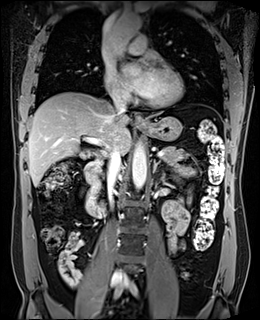

Abdominal MR. Coronal slice 73/144. 1st–99th percentile window
Boxes: x1 y1 x2 y2 (pixel coords, space-separated).
left adrenal gland: 153 159 166 181
duodenum: 84 159 105 218
aorta: 108 14 142 61
aorta: 132 143 146 189
inferior vena cava: 107 143 121 205
inferior vena cava: 114 97 126 115
stomach: 138 116 182 141
liver: 28 92 160 186
esophagus: 135 115 145 125
pancreas: 161 146 189 162